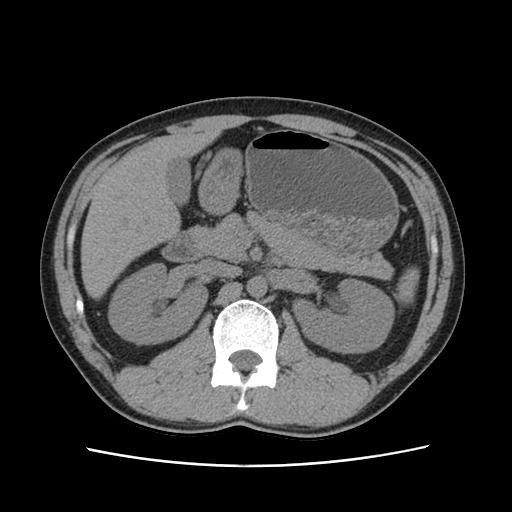
CT abdomen — axial view — 512x512 px
Bounding boxes as [x1, y1, x2, y2] in pixel coordinates. Labeled organs on this slice: spleen at [395, 267, 419, 304], right kidney at [108, 263, 207, 343], left kidney at [293, 279, 394, 353], gall bladder at [166, 158, 191, 205], liver at [80, 129, 220, 298], stomach at [199, 129, 398, 253], aorta at [247, 275, 267, 298], inferior vena cava at [202, 260, 240, 278], pancreas at [189, 212, 393, 279], duodenum at [161, 231, 200, 262].